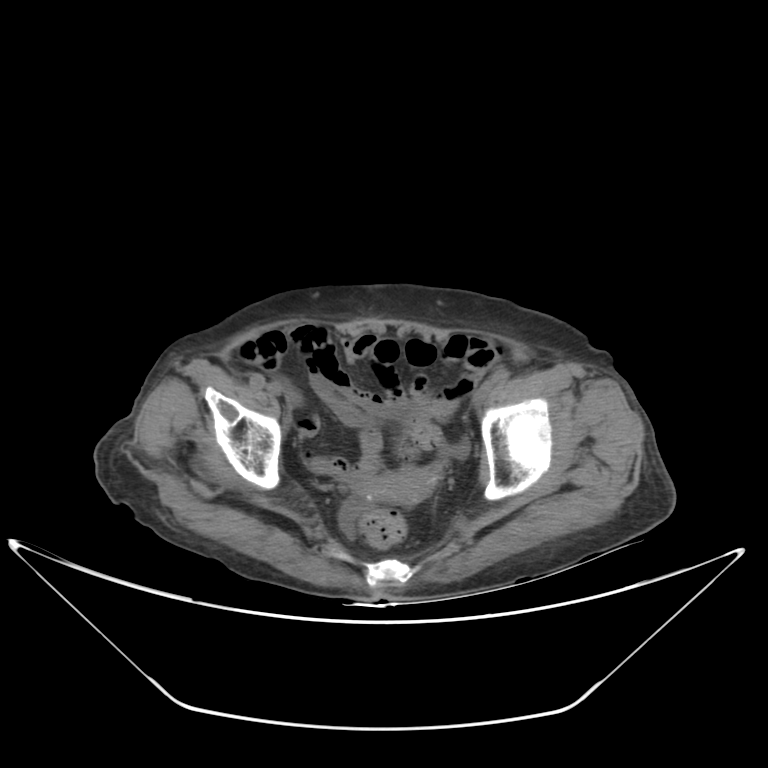 CT, abdomen/pelvis; Axial slice 20/79; soft-tissue window (W 400 / L 40)
Box edges are left/top/right/bottom in pixels.
prostate/uterus: left=369, top=467, right=431, bottom=503